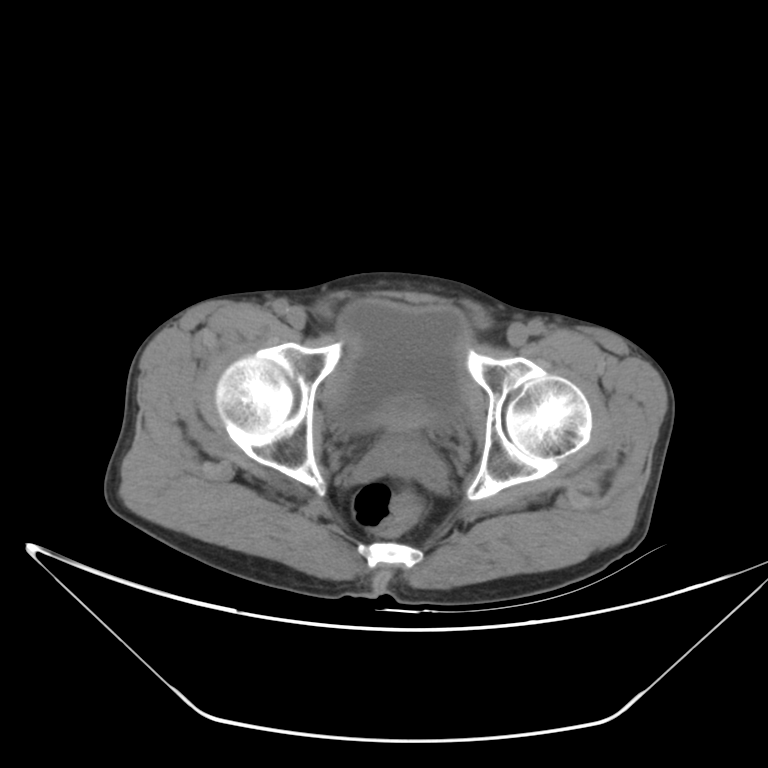

Abdominal CT; axial view
{"organs":{"prostate/uterus":[383,406,428,433],"bladder":[333,300,469,430]}}